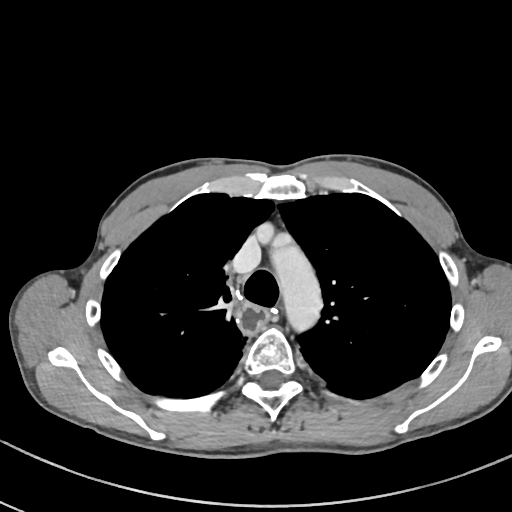

Abdominal CT reaching into the chest; this slice is in the chest. axial view. 512x512 px. acquired on SOMATOM Force
On a slice this high in the chest, this dataset labels only the esophagus and the aorta, and each is boxed only where it is labeled; the heart, lungs and other chest structures are not labeled.
Bounding boxes in pixels, one row per box: x1, y1 is the top-left corner and x2, y2 the bottom-right.
| organ | x1 | y1 | x2 | y2 |
|---|---|---|---|---|
| esophagus | 236 | 302 | 268 | 335 |
| aorta | 271 | 244 | 322 | 331 |